CT abdomen; axial view; SOMATOM Force scanner; scan has 15 labeled organs (that count is for the whole scan; organs this slice misses have no box)
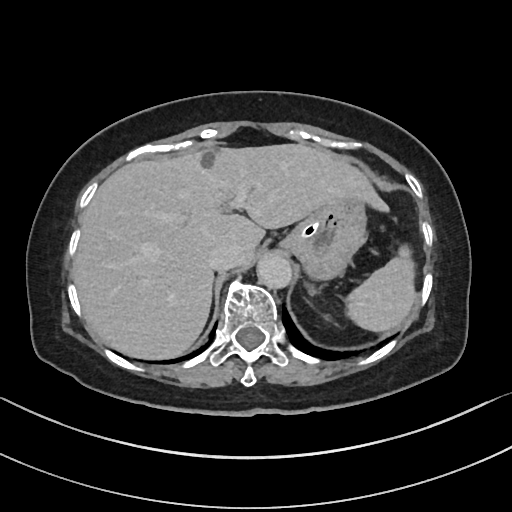
{"organs":{"stomach":[280,199,366,280],"liver":[72,144,390,359],"inferior vena cava":[208,243,238,270],"spleen":[346,245,417,331],"aorta":[257,253,291,288]}}